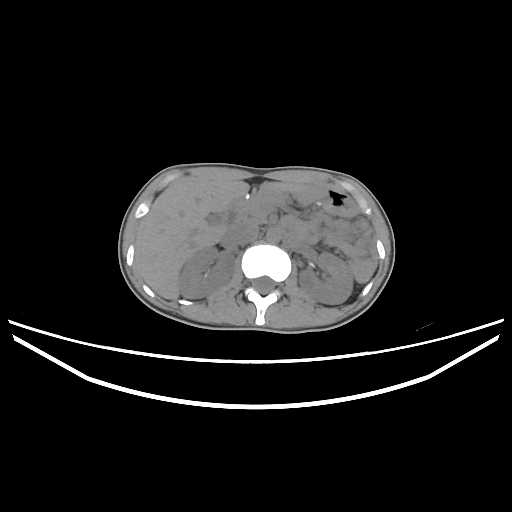

Computed tomography, abdomen. axial plane, index 63. abdomen soft-tissue window. 512x512 px. acquired on Aquilion ONE
Boxes: x1 y1 x2 y2 (pixel coords, space-separated). The annotated organs in this slice are: pancreas at 236 195 285 221, aorta at 266 228 280 243, left kidney at 298 253 353 304, inferior vena cava at 228 222 259 245, gall bladder at 207 213 223 224, duodenum at 226 199 242 228, liver at 134 180 306 299, right kidney at 179 246 234 298.